Abdominal CT · axial view · soft-tissue window (W 400 / L 40) · 512x512 px · scan has 15 labeled organs (a whole-scan count: organs this slice does not pass through have no box)
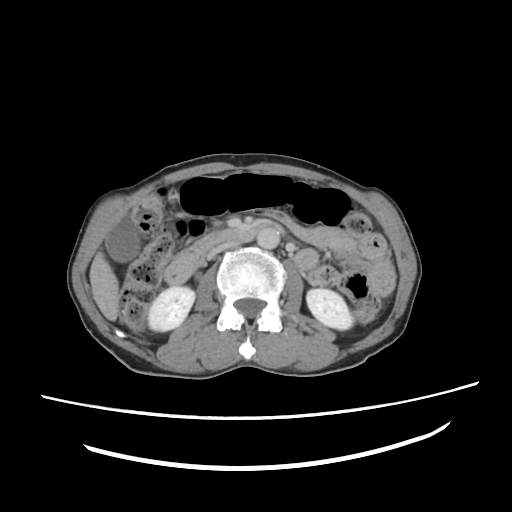 Boxes: x1:y1:x2:y2 in pixels.
Organ bounding boxes:
- right kidney: 141:286:194:331
- left kidney: 306:288:351:329
- gall bladder: 107:213:138:260
- liver: 90:252:119:320
- aorta: 257:225:279:249
- inferior vena cava: 205:242:238:258
- pancreas: 190:225:237:253
- duodenum: 165:224:262:284